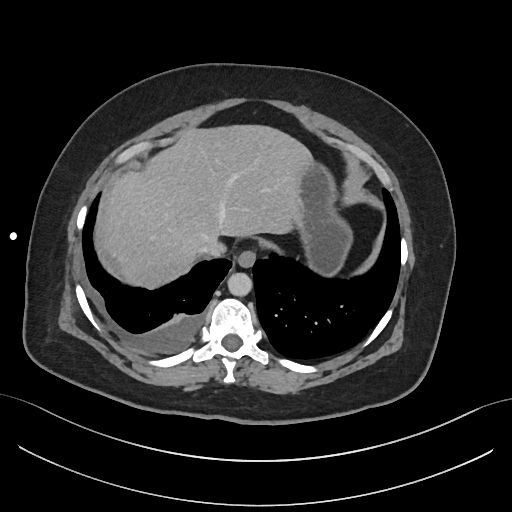
CT abdomen. axial plane, index 196. soft-tissue window (W 400 / L 40). 512x512 px. scan has 15 labeled organs (a whole-scan count: organs this slice does not pass through have no box)
Each box given as x1,y1,x2,y2.
Organ bounding boxes:
- esophagus: x1=237, y1=250, x2=255, y2=267
- liver: x1=104, y1=125, x2=312, y2=288
- stomach: x1=293, y1=160, x2=352, y2=275
- aorta: x1=227, y1=273, x2=252, y2=296
- inferior vena cava: x1=199, y1=240, x2=224, y2=257